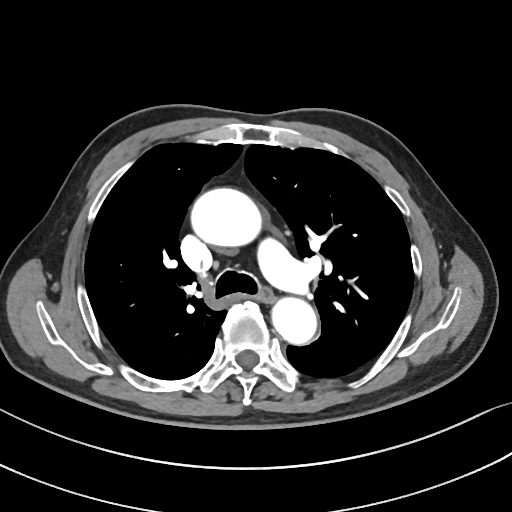

Chest-level CT slice, above the liver and spleen — axial view — 512x512 px
At this level of the chest no structure but the esophagus and the aorta has a label in this dataset, and those two are boxed only where they are labeled.
<organs><organ name="esophagus" x1="256" y1="285" x2="271" y2="301"/><organ name="aorta" x1="192" y1="188" x2="263" y2="247"/><organ name="aorta" x1="270" y1="295" x2="315" y2="343"/></organs>